Abdominal CT. axial view. W/L 400/40 HU. 512x512 px. SOMATOM Force scanner
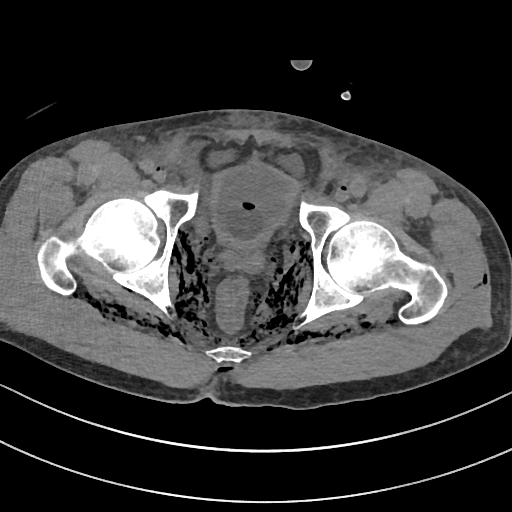

Boxes are (x1, y1, x2, y2) in pixels. The annotated organs in this slice are: bladder at (212, 160, 297, 245), prostate/uterus at (233, 245, 257, 256).